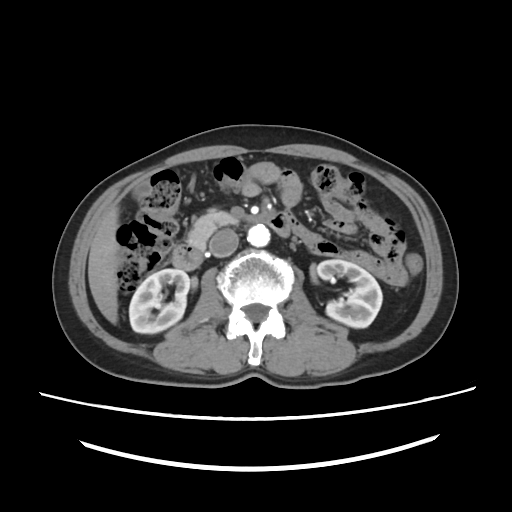 Computed tomography, abdomen · axial view · 512x512 px
Boxes: x1 y1 x2 y2 (pixel coords, space-separated).
duodenum: 171 213 293 270
inferior vena cava: 209 228 238 257
aorta: 247 224 270 246
liver: 88 207 119 324
right kidney: 129 268 190 333
gall bladder: 134 182 151 195
left kidney: 317 259 382 327
pancreas: 188 210 238 246